Abdominal CT; Axial slice 157/279; W/L 400/40 HU
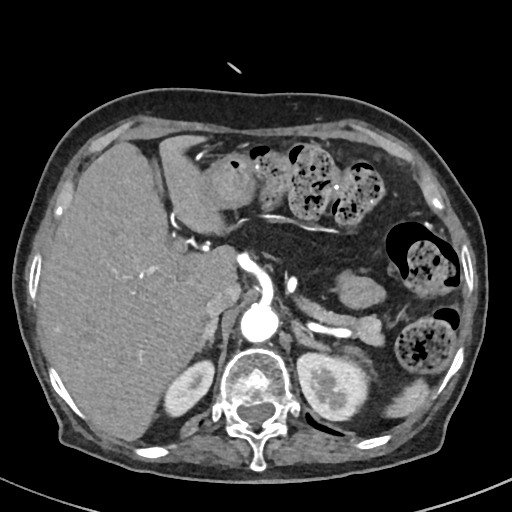

{"organs":{"pancreas":[293,296,385,345],"right adrenal gland":[196,316,218,350],"spleen":[386,380,426,417],"stomach":[201,156,251,211],"inferior vena cava":[204,283,241,317],"right kidney":[162,360,215,416],"left adrenal gland":[293,327,329,351],"left kidney":[296,351,367,422],"liver":[38,134,236,440],"aorta":[241,302,279,340]}}